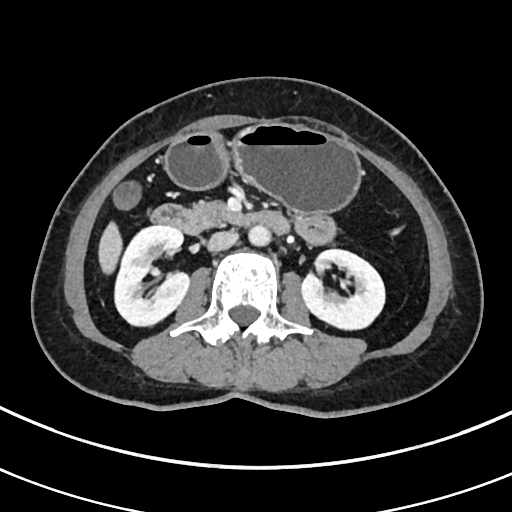

CT, abdomen/pelvis · axial view · abdomen soft-tissue window
Each box given as x1,y1,x2,y2. Labeled organs on this slice: right kidney at x1=115, y1=226, x2=190, y2=327, left kidney at x1=301, y1=249, x2=384, y2=331, gall bladder at x1=113, y1=181, x2=142, y2=210, liver at x1=98, y1=222, x2=123, y2=276, stomach at x1=165, y1=123, x2=360, y2=213, aorta at x1=248, y1=225, x2=270, y2=246, inferior vena cava at x1=208, y1=231, x2=237, y2=251, pancreas at x1=194, y1=201, x2=235, y2=227, duodenum at x1=151, y1=205, x2=290, y2=235.